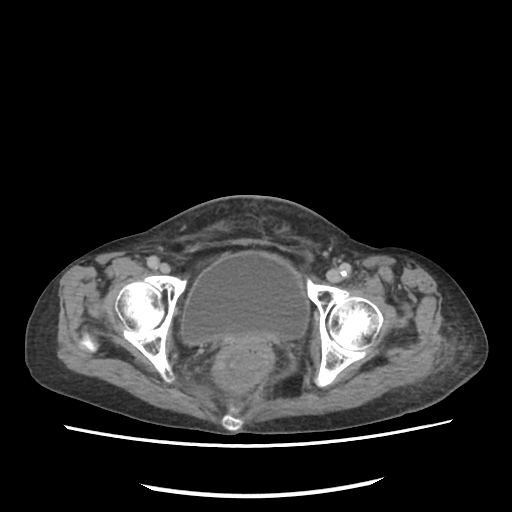 Abdominal CT — axial view
Bounding boxes as [x1, y1, x2, y2] in pixel coordinates. Labeled organs on this slice: bladder at [181, 252, 309, 344].